Abdominal CT — axial plane, index 47 — soft-tissue window (W 400 / L 40) — acquired on Aquilion ONE — scan has 15 labeled organs (that count is for the whole scan; organs this slice misses have no box)
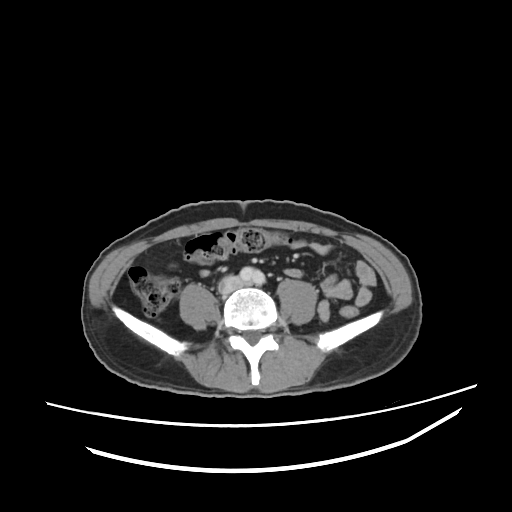
Organ boxes in pixel coordinates; each row gives the top-left (x1, y1) and bottom-right (x2, y2) corners.
| organ | x1 | y1 | x2 | y2 |
|---|---|---|---|---|
| inferior vena cava | 218 | 275 | 242 | 293 |